Computed tomography, abdomen. axial view. abdomen soft-tissue window
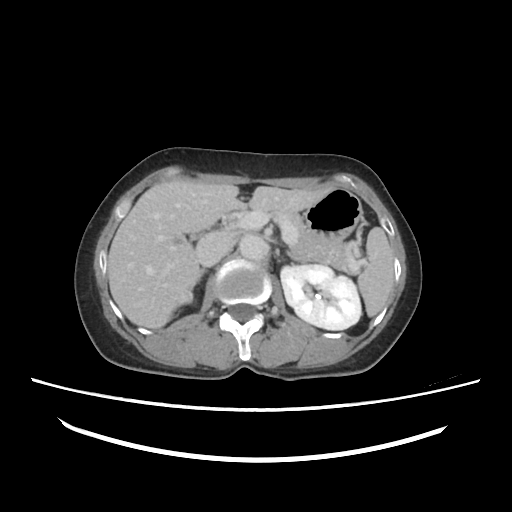 Each box given as x1,y1,x2,y2.
right kidney: x1=180, y1=292, x2=194, y2=304
spleen: x1=356, y1=227, x2=394, y2=316
left adrenal gland: x1=288, y1=251, x2=305, y2=261
aorta: x1=239, y1=234, x2=268, y2=260
liver: x1=107, y1=181, x2=330, y2=329
pancreas: x1=263, y1=202, x2=351, y2=274
duodenum: x1=186, y1=214, x2=240, y2=240
right adrenal gland: x1=199, y1=267, x2=207, y2=282
inferior vena cava: x1=195, y1=232, x2=232, y2=264
left kidney: x1=280, y1=264, x2=362, y2=329
stomach: x1=302, y1=188, x2=361, y2=241